Computed tomography, abdomen; axial view; 15 organs annotated in this scan (that count is for the whole scan; organs this slice misses have no box)
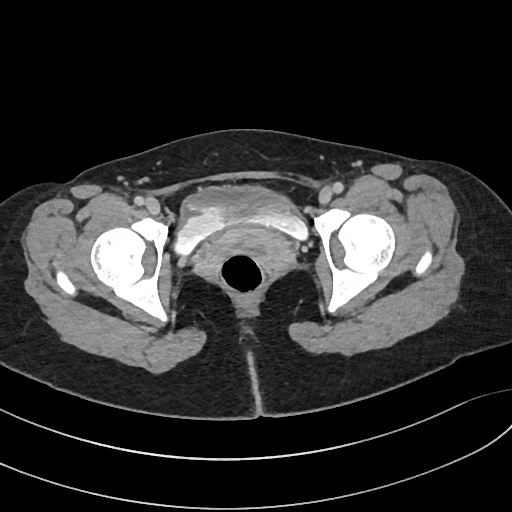

Each box given as x1,y1,x2,y2.
Organ bounding boxes:
- bladder: x1=175, y1=186, x2=307, y2=255